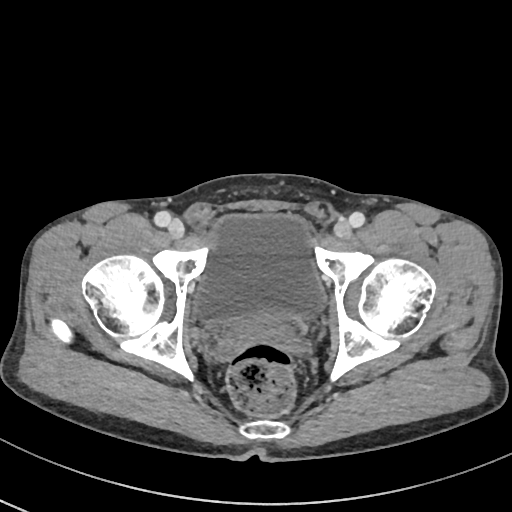 Abdominal CT — axial view — 15 organs annotated in this scan (counted over the whole 3D scan, not this slice; an organ is boxed only where this slice passes through it)
Coordinates as <box>x1,y1,x2,y2</box> in pixels.
prostate/uterus: <box>248,316,281,329</box>
bladder: <box>194,214,327,323</box>